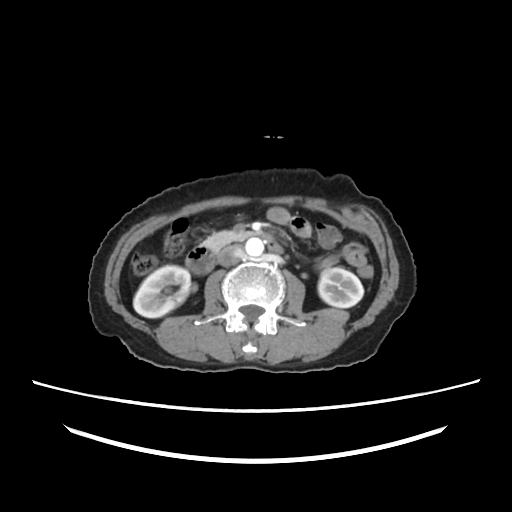 CT abdomen. axial view. W/L 400/40 HU. 512x512 px. 15 organs annotated in this scan (a whole-scan count: organs this slice does not pass through have no box)
Boxes: x1:y1:x2:y2 in pixels.
right kidney: 133:265:190:317
left kidney: 318:267:363:307
aorta: 245:238:263:256
inferior vena cava: 218:244:243:266
pancreas: 204:231:250:250
duodenum: 185:241:280:273